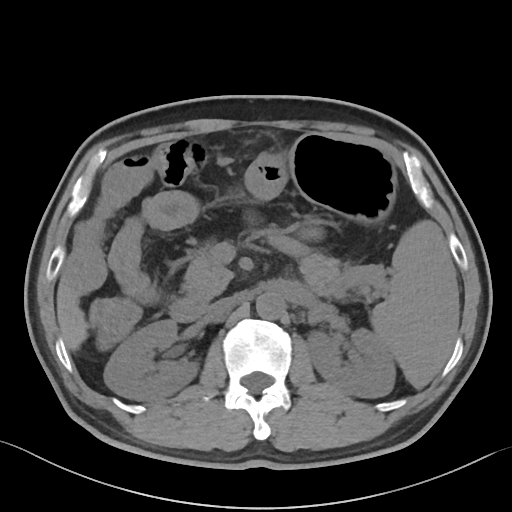

Abdominal CT · axial view
Each box given as x1,y1,x2,y2.
spleen: x1=370, y1=220, x2=458, y2=387
right kidney: x1=104, y1=320, x2=198, y2=400
left kidney: x1=307, y1=328, x2=395, y2=397
liver: x1=56, y1=281, x2=85, y2=350
stomach: x1=244, y1=132, x2=395, y2=223
aorta: x1=255, y1=293, x2=284, y2=319
inferior vena cava: x1=206, y1=297, x2=236, y2=314
pancreas: x1=182, y1=243, x2=373, y2=300
duodenum: x1=169, y1=297, x2=207, y2=322